CT, abdomen/pelvis. axial view. soft-tissue window (W 400 / L 40). SOMATOM Force scanner. scan has 15 labeled organs (that count is for the whole scan; organs this slice misses have no box)
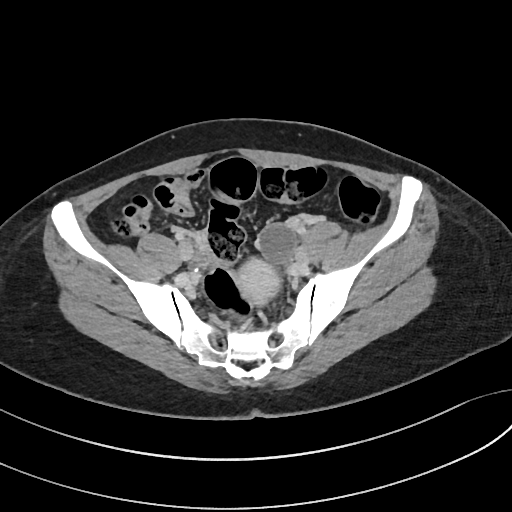 Bounding boxes in pixels, one row per box: x1, y1 is the top-left corner and x2, y2 the bottom-right.
| organ | x1 | y1 | x2 | y2 |
|---|---|---|---|---|
| prostate/uterus | 233 | 260 | 279 | 308 |